CT, abdomen/pelvis. Axial slice 112/175. soft-tissue window (W 400 / L 40). 512x512 px. SOMATOM Force scanner. 15 organs annotated in this scan (a whole-scan count: organs this slice does not pass through have no box)
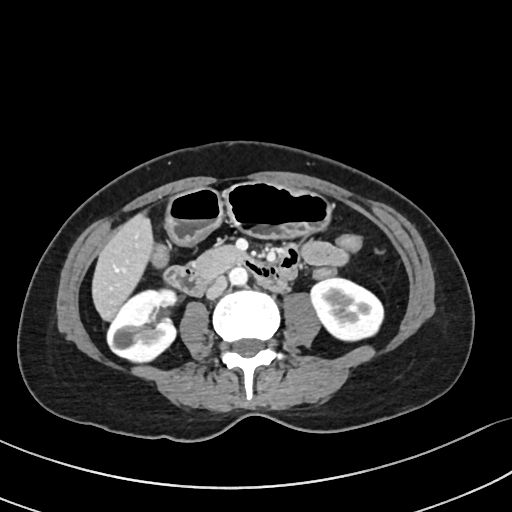 Bounding boxes in pixels, one row per box: x1, y1 is the top-left corner and x2, y2 the bottom-right.
| organ | x1 | y1 | x2 | y2 |
|---|---|---|---|---|
| duodenum | 164 | 247 | 296 | 295 |
| pancreas | 194 | 246 | 238 | 278 |
| aorta | 229 | 267 | 247 | 285 |
| liver | 92 | 213 | 153 | 320 |
| inferior vena cava | 206 | 276 | 227 | 298 |
| stomach | 166 | 181 | 332 | 245 |
| left kidney | 311 | 278 | 383 | 340 |
| right kidney | 107 | 289 | 176 | 362 |